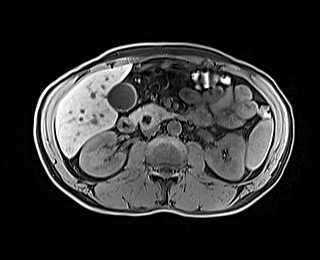
Abdominal MR · axial view
Bounding boxes in pixels, one row per box: x1, y1 is the top-left corner and x2, y2 the bottom-right.
| organ | x1 | y1 | x2 | y2 |
|---|---|---|---|---|
| spleen | 246 | 118 | 273 | 169 |
| right kidney | 79 | 131 | 125 | 176 |
| left kidney | 205 | 133 | 245 | 179 |
| gall bladder | 106 | 83 | 136 | 110 |
| liver | 55 | 63 | 132 | 157 |
| stomach | 164 | 61 | 193 | 70 |
| aorta | 167 | 121 | 181 | 134 |
| inferior vena cava | 144 | 125 | 159 | 134 |
| pancreas | 129 | 103 | 178 | 127 |
| duodenum | 118 | 117 | 135 | 131 |